Abdominal CT; this slice is in the lower chest, just above the liver; Axial slice 99/104; 65-year-old male patient
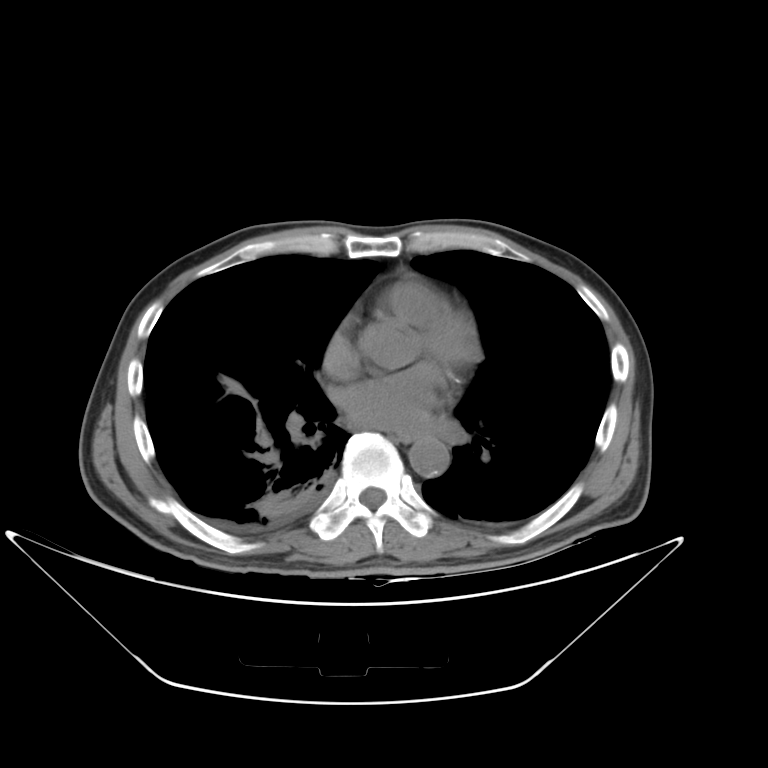

No part of the heart or lungs is labeled in this dataset, so neither has a box here.
Organ boxes in pixel coordinates; each row gives the top-left (x1, y1) and bottom-right (x2, y2) corners.
| organ | x1 | y1 | x2 | y2 |
|---|---|---|---|---|
| esophagus | 397 | 432 | 424 | 441 |
| aorta | 408 | 437 | 449 | 477 |